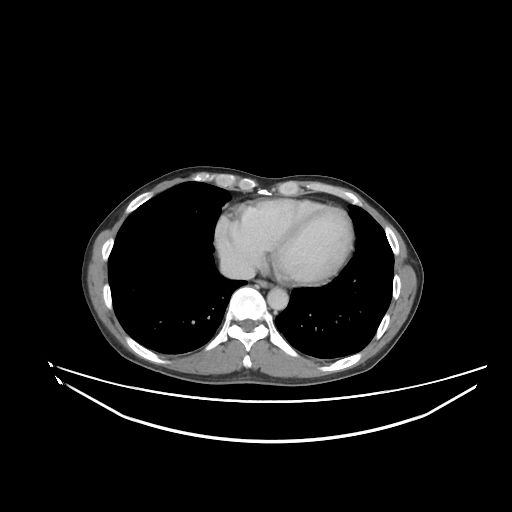

Lower-chest slice from an abdominal CT, just above the liver and spleen. axial view. 47-year-old male patient
The heart and lungs are never labeled in this dataset, so they have no box on this slice.
Organ boxes in pixel coordinates; each row gives the top-left (x1, y1) and bottom-right (x2, y2) corners.
| organ | x1 | y1 | x2 | y2 |
|---|---|---|---|---|
| esophagus | 256 | 280 | 272 | 287 |
| aorta | 267 | 287 | 288 | 310 |
| inferior vena cava | 220 | 257 | 255 | 279 |